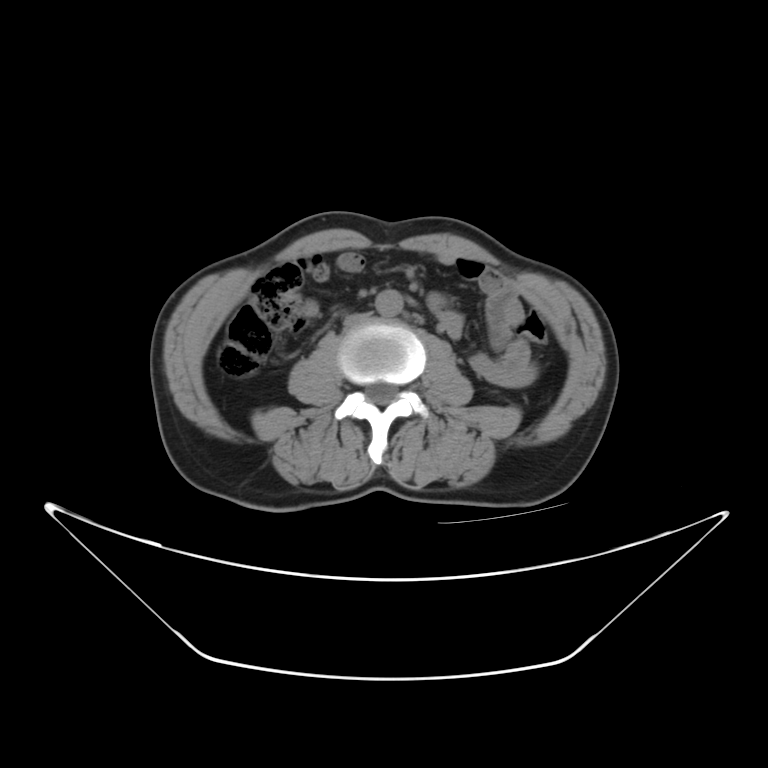 CT, abdomen/pelvis · axial view
Coordinates as <box>x1,y1,x2,y2</box> in pixels.
Organ bounding boxes:
- aorta: <box>376,289,402,315</box>
- inferior vena cava: <box>342,311,368,326</box>